CT, abdomen/pelvis. axial view. scan has 15 labeled organs (that count is for the whole scan; organs this slice misses have no box)
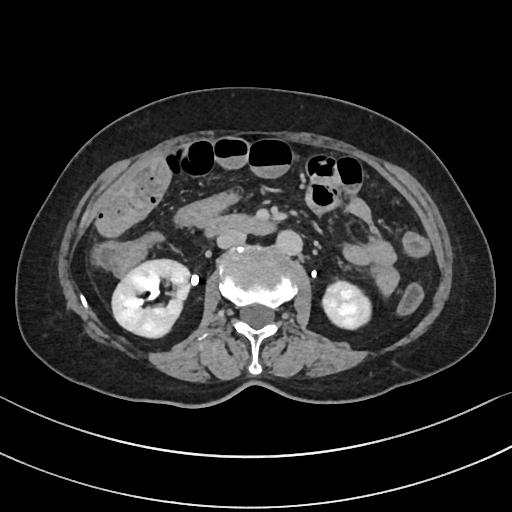

Boxes: x1:y1:x2:y2 in pixels. 5 labeled organs on this slice — inferior vena cava at 217:228:246:249; duodenum at 204:213:275:236; aorta at 278:231:303:256; right kidney at 111:259:188:339; left kidney at 322:281:372:329.